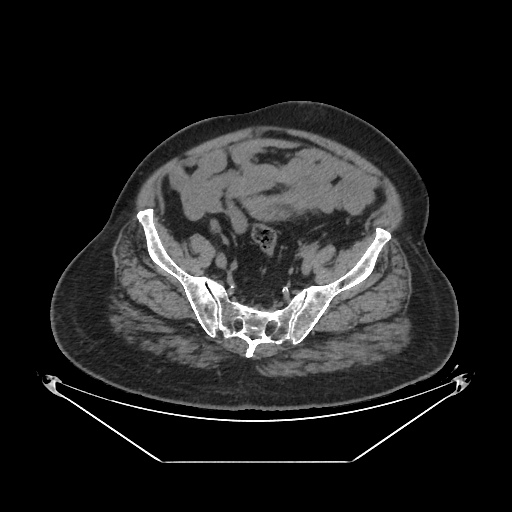

CT abdomen · axial view · acquired on SOMATOM Force
Boxes: x1:y1:x2:y2 in pixels.
bladder: 249:204:289:219